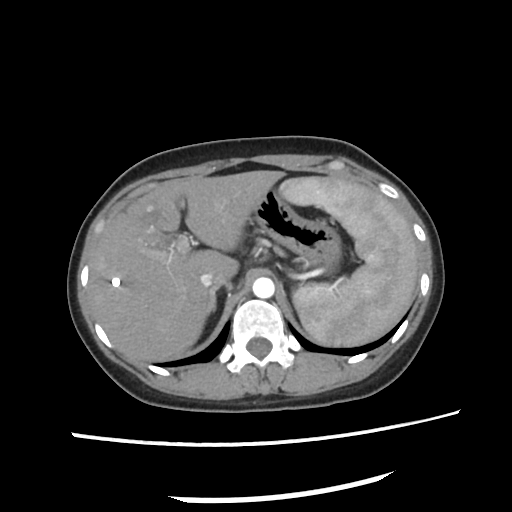
CT abdomen — axial view — scan has 15 labeled organs (counted over the whole 3D scan, not this slice; an organ is boxed only where this slice passes through it)
Bounding boxes as [x1, y1, x2, y2] in pixel coordinates. 6 labeled organs on this slice — spleen at [279, 178, 419, 346]; liver at [90, 171, 285, 360]; stomach at [252, 187, 342, 269]; aorta at [252, 278, 274, 298]; inferior vena cava at [200, 273, 227, 286]; right adrenal gland at [205, 288, 216, 315].